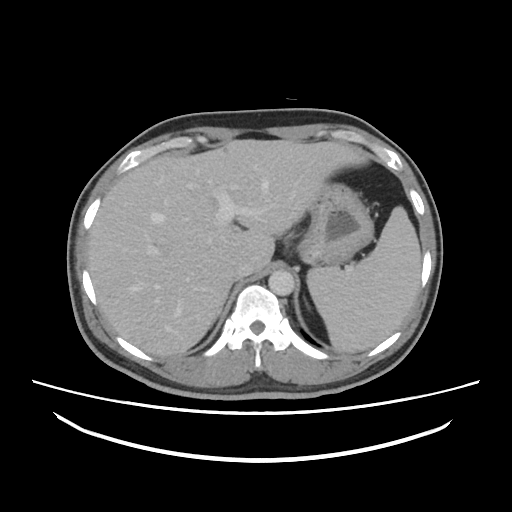 Computed tomography, abdomen · axial view · W/L 400/40 HU
Box edges are left/top/right/bottom in pixels.
spleen: left=307, top=206, right=421, bottom=353
liver: left=88, top=139, right=377, bottom=357
stomach: left=297, top=183, right=373, bottom=266
aorta: left=268, top=270, right=294, bottom=295
inferior vena cava: left=232, top=260, right=251, bottom=280
right adrenal gland: left=212, top=310, right=221, bottom=324
left adrenal gland: left=306, top=302, right=307, bottom=305